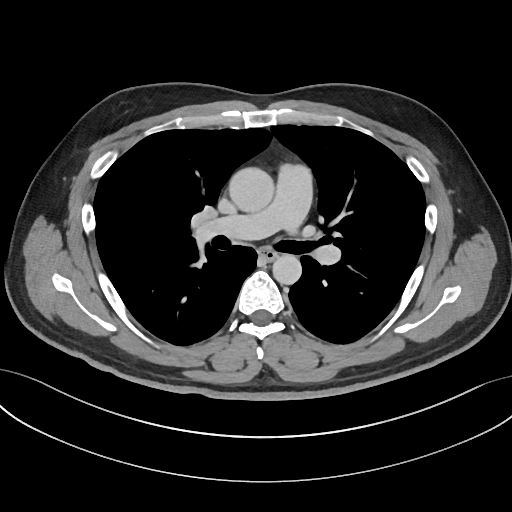
Chest-level CT slice, above the liver and spleen. axial plane, index 281
On a slice this high in the chest, this dataset labels only the esophagus and the aorta, and each is boxed only where it is labeled; the heart, lungs and other chest structures are not labeled.
One row per box, in pixels: columns x1 and y1 give the top-left corner, x2 and y2 the bottom-right.
| organ | x1 | y1 | x2 | y2 |
|---|---|---|---|---|
| esophagus | 259 | 248 | 276 | 260 |
| aorta | 229 | 167 | 274 | 212 |
| aorta | 272 | 254 | 301 | 284 |